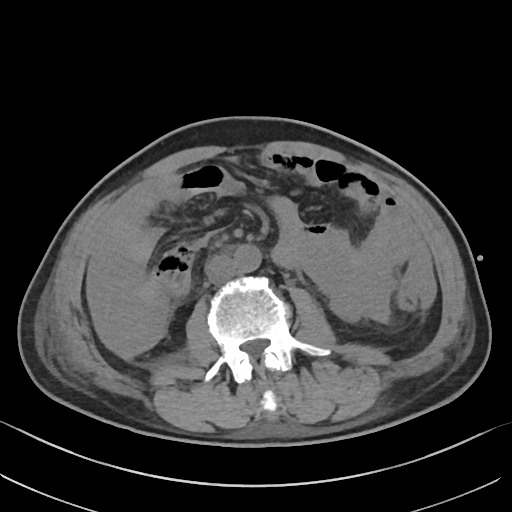
CT abdomen · axial view · 512x512 px
{"organs":{"liver":[95,329,98,335],"aorta":[233,244,261,272],"inferior vena cava":[205,255,236,284]}}